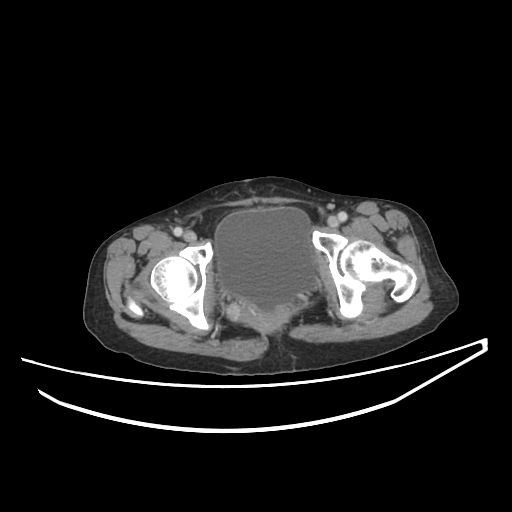
Computed tomography, abdomen. axial plane, index 12
<organs><organ name="bladder" x1="215" y1="207" x2="314" y2="311"/></organs>